Abdominal CT · axial plane, index 183 · soft-tissue window
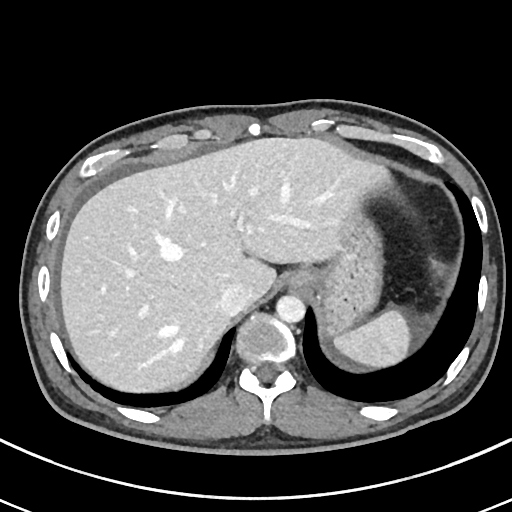

Boxes are (x1, y1, x2, y2) in pixels. Labeled organs on this slice: spleen at (333, 310, 409, 365), esophagus at (286, 270, 311, 291), liver at (60, 138, 396, 390), stomach at (310, 206, 381, 337), aorta at (276, 295, 305, 323), inferior vena cava at (220, 285, 249, 316).